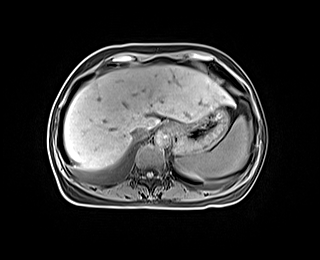

MRI, abdomen — axial plane, index 56 — 320x260 px
One row per box, in pixels: columns x1 and y1 give the top-left corner, x2 and y2 the bottom-right.
| organ | x1 | y1 | x2 | y2 |
|---|---|---|---|---|
| spleen | 175 | 116 | 250 | 180 |
| liver | 64 | 65 | 234 | 169 |
| stomach | 168 | 106 | 228 | 155 |
| aorta | 154 | 130 | 170 | 146 |
| inferior vena cava | 131 | 128 | 147 | 139 |